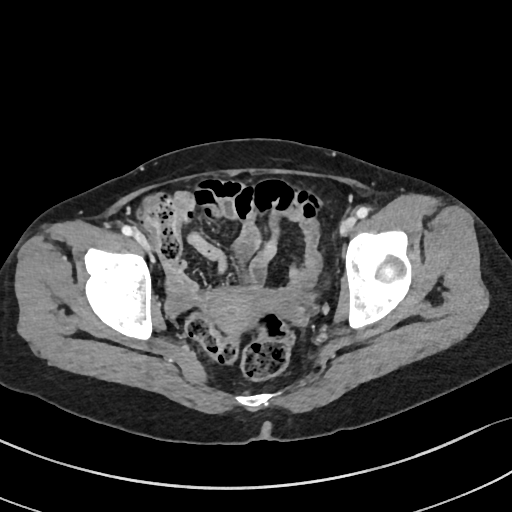
CT, abdomen/pelvis — axial view — abdomen soft-tissue window — 512x512 px
Bounding boxes as [x1, y1, x2, y2] in pixel coordinates.
Organ bounding boxes:
- prostate/uterus: [203, 288, 273, 338]